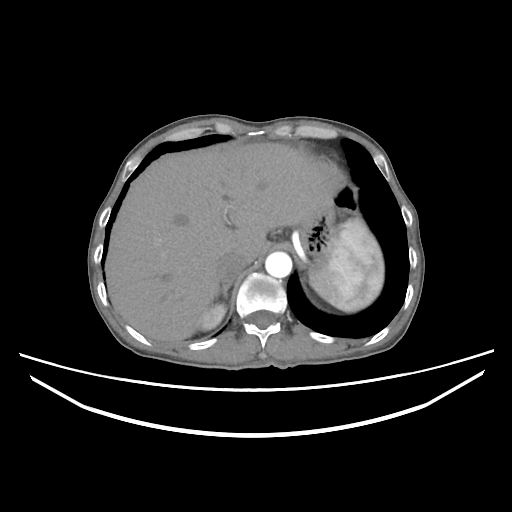 CT, abdomen/pelvis. axial view. abdomen soft-tissue window. 512x512 px. acquired on Aquilion ONE
Organ boxes in pixel coordinates; each row gives the top-left (x1, y1) and bottom-right (x2, y2) corners.
| organ | x1 | y1 | x2 | y2 |
|---|---|---|---|---|
| aorta | 265 | 252 | 292 | 277 |
| right adrenal gland | 215 | 282 | 232 | 299 |
| inferior vena cava | 216 | 251 | 248 | 282 |
| spleen | 309 | 218 | 383 | 312 |
| liver | 105 | 142 | 341 | 342 |
| right kidney | 198 | 303 | 225 | 330 |